CT, abdomen/pelvis · axial view · abdomen soft-tissue window · 768x768 px · scan has 15 labeled organs (a whole-scan count: organs this slice does not pass through have no box)
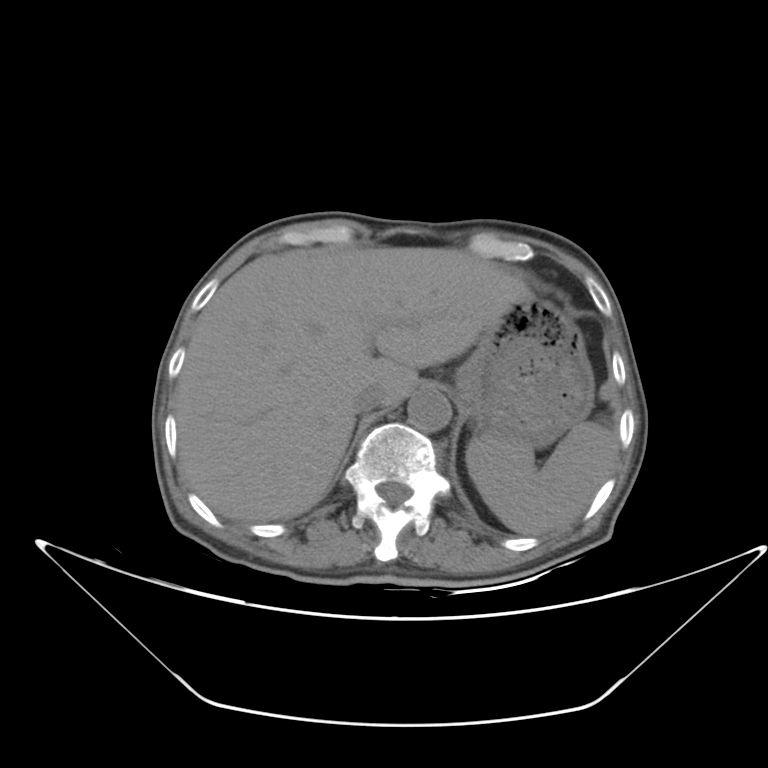
Box edges are left/top/right/bottom in pixels.
spleen: left=467, top=419, right=619, bottom=534
liver: left=175, top=243, right=529, bottom=521
stomach: left=452, top=293, right=593, bottom=445
aorta: left=406, top=389, right=451, bottom=435
inferior vena cava: left=348, top=385, right=380, bottom=412